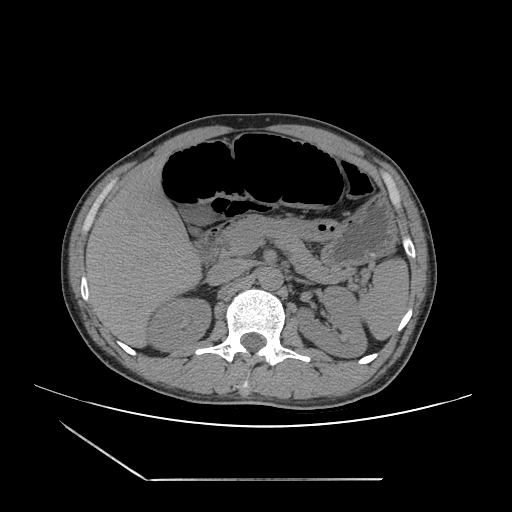
Abdominal CT — axial plane, index 127 — soft-tissue window (W 400 / L 40) — 15 organs annotated in this scan (that count is for the whole scan; organs this slice misses have no box)
<organs><organ name="spleen" x1="358" y1="257" x2="409" y2="340"/><organ name="right kidney" x1="147" y1="298" x2="210" y2="351"/><organ name="left kidney" x1="297" y1="286" x2="367" y2="357"/><organ name="gall bladder" x1="180" y1="204" x2="213" y2="233"/><organ name="liver" x1="85" y1="157" x2="201" y2="347"/><organ name="stomach" x1="287" y1="197" x2="396" y2="264"/><organ name="aorta" x1="258" y1="267" x2="282" y2="290"/><organ name="inferior vena cava" x1="207" y1="259" x2="247" y2="285"/><organ name="pancreas" x1="220" y1="215" x2="351" y2="283"/><organ name="left adrenal gland" x1="301" y1="280" x2="305" y2="282"/><organ name="duodenum" x1="195" y1="229" x2="221" y2="263"/></organs>